CT abdomen. axial view. scan has 15 labeled organs (that count is for the whole scan; organs this slice misses have no box)
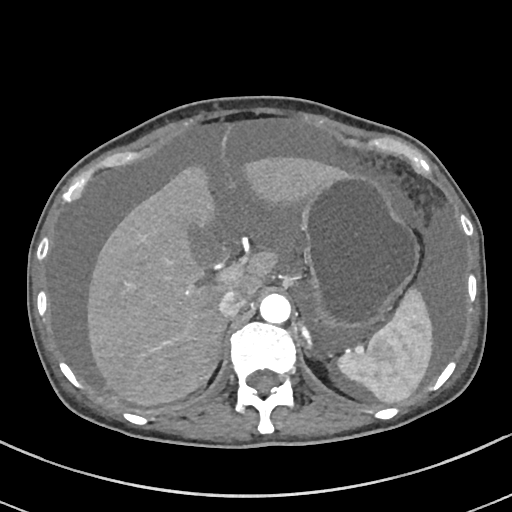
{"organs":{"inferior vena cava":[217,288,246,317],"aorta":[259,293,290,323],"liver":[87,157,344,406],"stomach":[302,175,418,329],"gall bladder":[190,228,222,265],"spleen":[337,288,432,403]}}